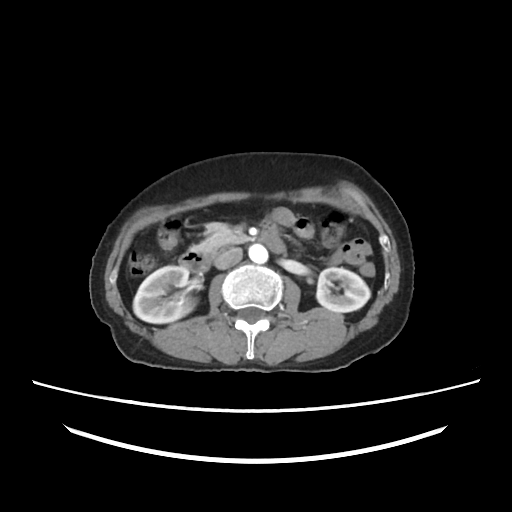 CT abdomen; axial view; 512x512 px; scan has 15 labeled organs (that count is for the whole scan; organs this slice misses have no box)
Organ boxes in pixel coordinates; each row gives the top-left (x1, y1) and bottom-right (x2, y2) corners.
| organ | x1 | y1 | x2 | y2 |
|---|---|---|---|---|
| pancreas | 193 | 224 | 250 | 254 |
| left kidney | 316 | 267 | 370 | 312 |
| inferior vena cava | 214 | 247 | 242 | 269 |
| right kidney | 133 | 265 | 194 | 323 |
| aorta | 248 | 244 | 268 | 263 |
| duodenum | 179 | 237 | 285 | 272 |